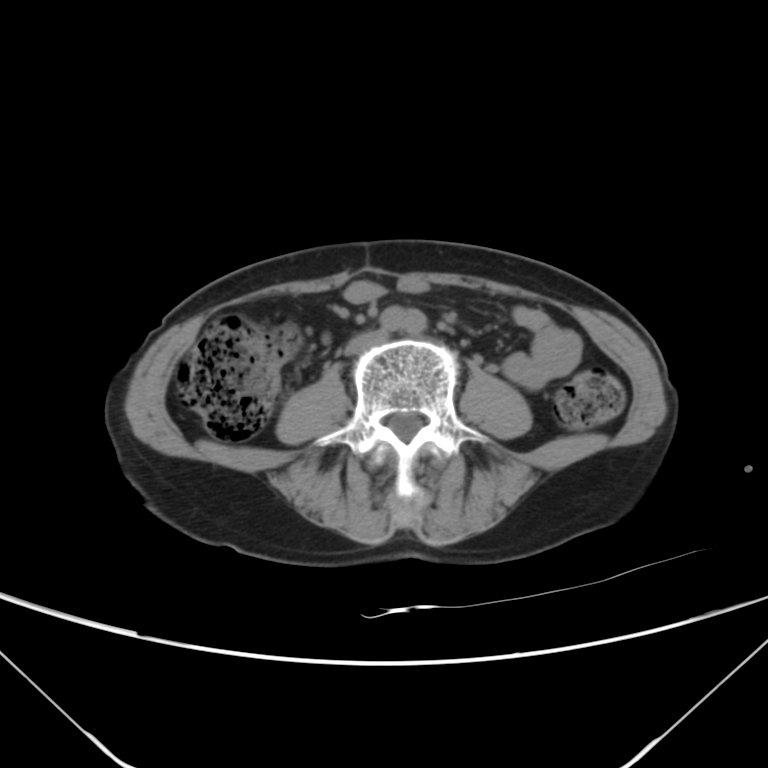
CT, abdomen/pelvis — Axial slice 49/92 — abdomen soft-tissue window — 768x768 px
{"organs":{"inferior vena cava":[342,330,383,355]}}